CT abdomen. axial view. soft-tissue window (W 400 / L 40). 512x512 px. 68-year-old male patient. acquired on Aquilion ONE
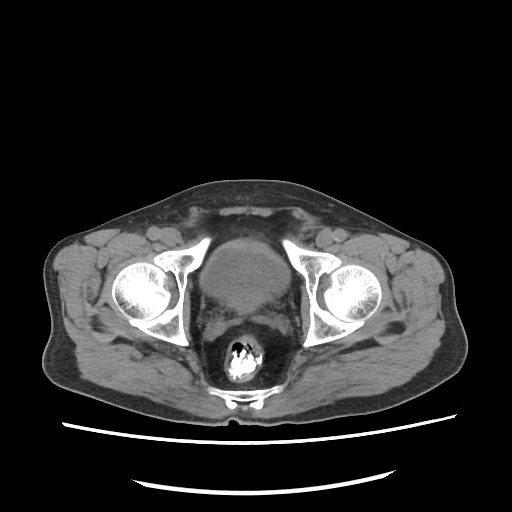 <organs><organ name="bladder" x1="200" y1="242" x2="289" y2="311"/></organs>